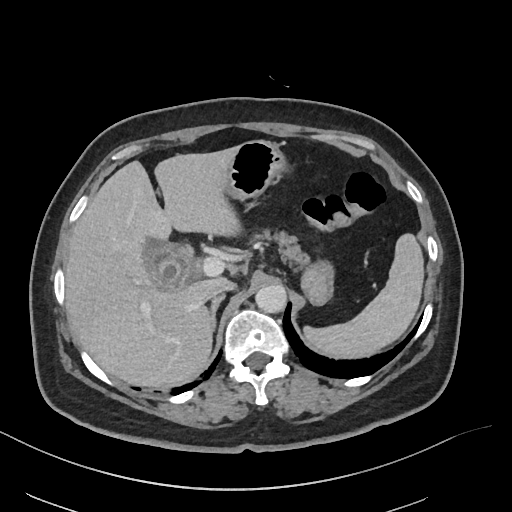

CT abdomen · axial view · 512x512 px · scan has 15 labeled organs (that count is for the whole scan; organs this slice misses have no box)
Boxes: x1 y1 x2 y2 (pixel coords, space-separated).
Organ bounding boxes:
- spleen: 304 233 424 358
- pancreas: 259 229 308 267
- inferior vena cava: 210 281 235 297
- right adrenal gland: 210 294 225 331
- gall bladder: 144 239 194 292
- liver: 65 146 241 388
- aorta: 255 285 286 313
- stomach: 226 140 334 305